Computed tomography, abdomen; axial view; abdomen soft-tissue window; 50-year-old male patient; scan has 15 labeled organs (counted over the whole 3D scan, not this slice; an organ is boxed only where this slice passes through it)
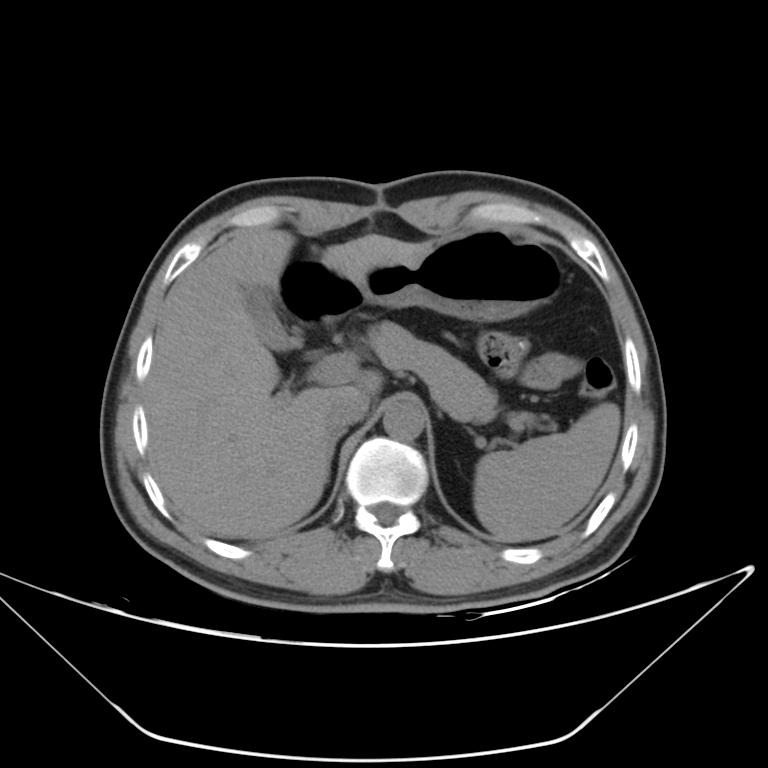

<organs><organ name="spleen" x1="473" y1="402" x2="620" y2="542"/><organ name="gall bladder" x1="244" y1="288" x2="292" y2="350"/><organ name="liver" x1="145" y1="228" x2="429" y2="537"/><organ name="stomach" x1="282" y1="231" x2="560" y2="326"/><organ name="aorta" x1="383" y1="400" x2="424" y2="440"/><organ name="inferior vena cava" x1="324" y1="392" x2="368" y2="435"/><organ name="pancreas" x1="366" y1="321" x2="497" y2="415"/><organ name="right adrenal gland" x1="328" y1="430" x2="345" y2="462"/></organs>